CT abdomen — axial plane, index 191 — 512x512 px — scan has 15 labeled organs (that count is for the whole scan; organs this slice misses have no box)
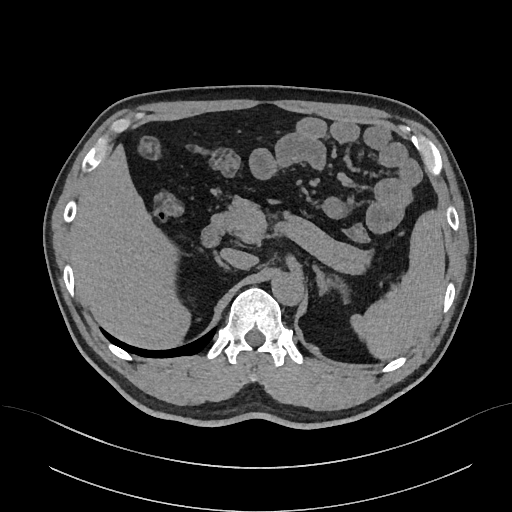
<organs><organ name="spleen" x1="350" y1="210" x2="444" y2="359"/><organ name="liver" x1="69" y1="144" x2="190" y2="349"/><organ name="aorta" x1="271" y1="273" x2="303" y2="305"/><organ name="inferior vena cava" x1="220" y1="248" x2="257" y2="269"/><organ name="pancreas" x1="212" y1="197" x2="372" y2="263"/><organ name="right adrenal gland" x1="215" y1="256" x2="230" y2="270"/><organ name="left adrenal gland" x1="312" y1="265" x2="347" y2="301"/><organ name="duodenum" x1="201" y1="221" x2="223" y2="247"/></organs>